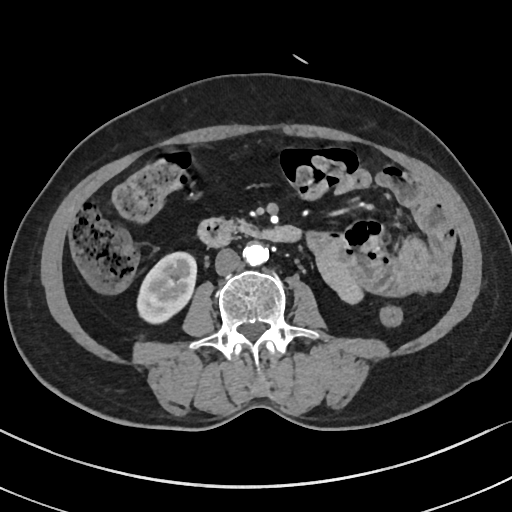
Computed tomography, abdomen; axial view; 512x512 px
{"organs":{"right kidney":[136,251,196,323],"aorta":[243,243,268,265],"inferior vena cava":[214,248,242,275],"pancreas":[235,222,251,232],"duodenum":[198,217,299,247]}}